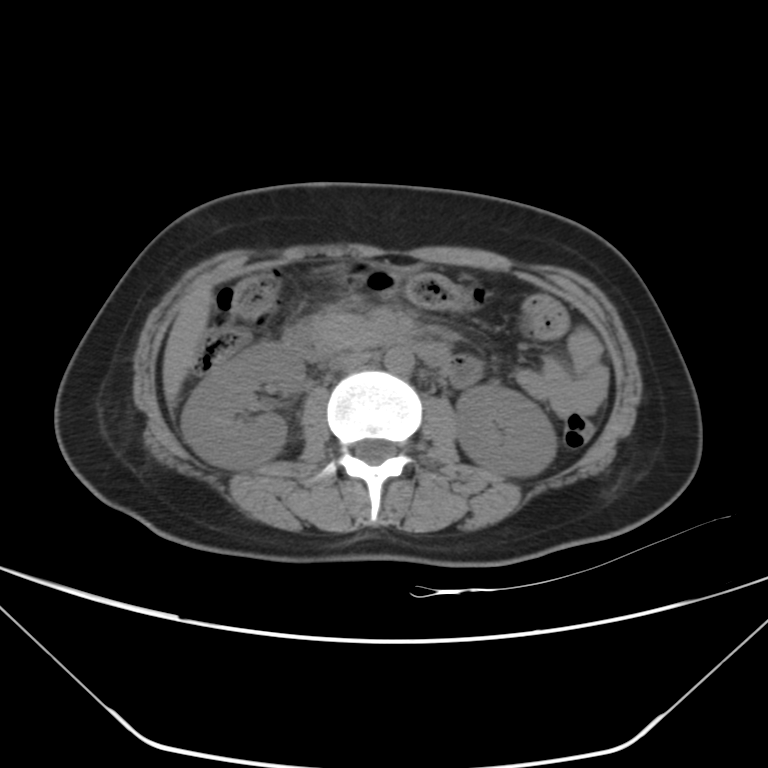 CT, abdomen/pelvis; Axial slice 53/83; 768x768 px; 32-year-old female patient
One row per box, in pixels: columns x1 and y1 give the top-left corner, x2 and y2 the bottom-right.
| organ | x1 | y1 | x2 | y2 |
|---|---|---|---|---|
| right kidney | 181 | 342 | 303 | 468 |
| left kidney | 455 | 384 | 556 | 476 |
| liver | 162 | 283 | 212 | 403 |
| aorta | 384 | 347 | 413 | 375 |
| inferior vena cava | 328 | 350 | 369 | 369 |
| pancreas | 308 | 311 | 378 | 349 |
| duodenum | 283 | 323 | 452 | 368 |